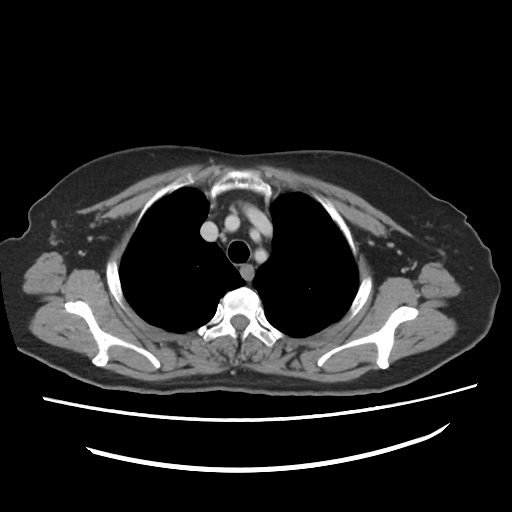 Chest-level slice from an abdominal CT that extends up into the chest · Axial slice 118/128 · soft-tissue window (W 400 / L 40) · 512x512 px
At this level of the chest no structure but the esophagus and the aorta has a label in this dataset, and those two are boxed only where they are labeled. Boxes: x1:y1:x2:y2 in pixels. 1 labeled organ on this slice — esophagus at 241:264:253:278.